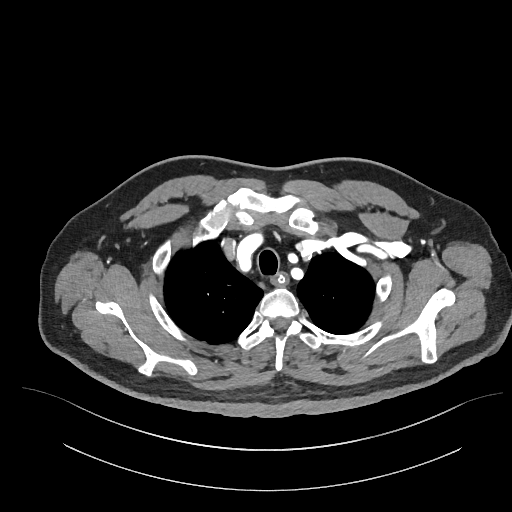

Abdominal CT reaching into the chest; this slice is in the chest; axial plane, index 307; soft-tissue window (W 400 / L 40); 512x512 px
At this level of the chest this dataset labels only the esophagus and the aorta, and each is boxed only where it is labeled; the heart and lungs are never labeled.
Boxes are (x1, y1, x2, y2) in pixels.
esophagus: (274, 274, 287, 285)